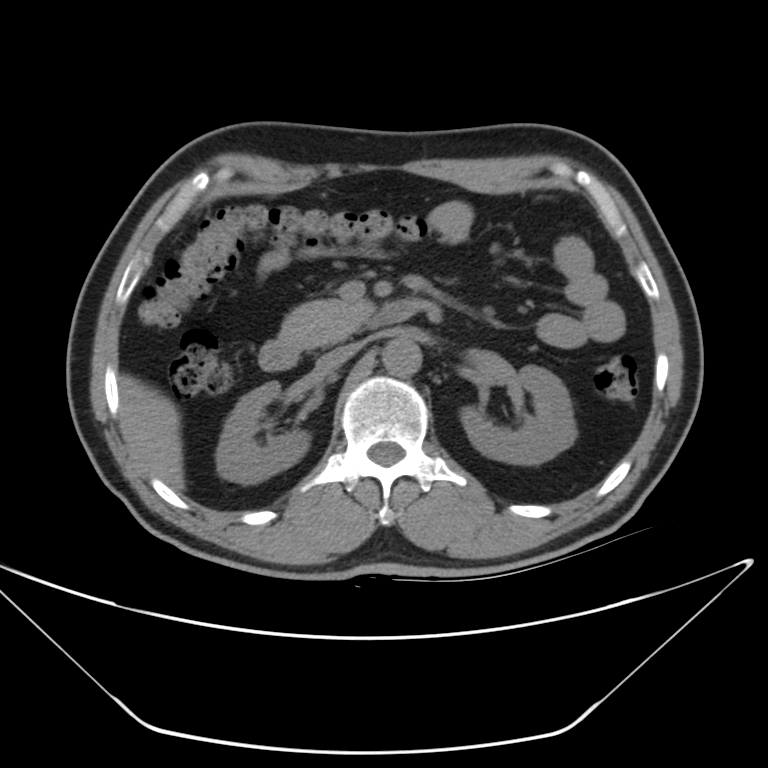
Computed tomography, abdomen; axial view; soft-tissue window (W 400 / L 40)
Bounding boxes in pixels, one row per box: x1, y1 is the top-left corner and x2, y2 the bottom-right.
| organ | x1 | y1 | x2 | y2 |
|---|---|---|---|---|
| right kidney | 216 | 382 | 313 | 483 |
| left kidney | 462 | 365 | 573 | 463 |
| liver | 121 | 376 | 183 | 489 |
| aorta | 383 | 337 | 422 | 375 |
| inferior vena cava | 321 | 348 | 354 | 370 |
| pancreas | 281 | 298 | 373 | 348 |
| duodenum | 259 | 301 | 421 | 369 |